Abdominal CT — axial view — 68-year-old male patient
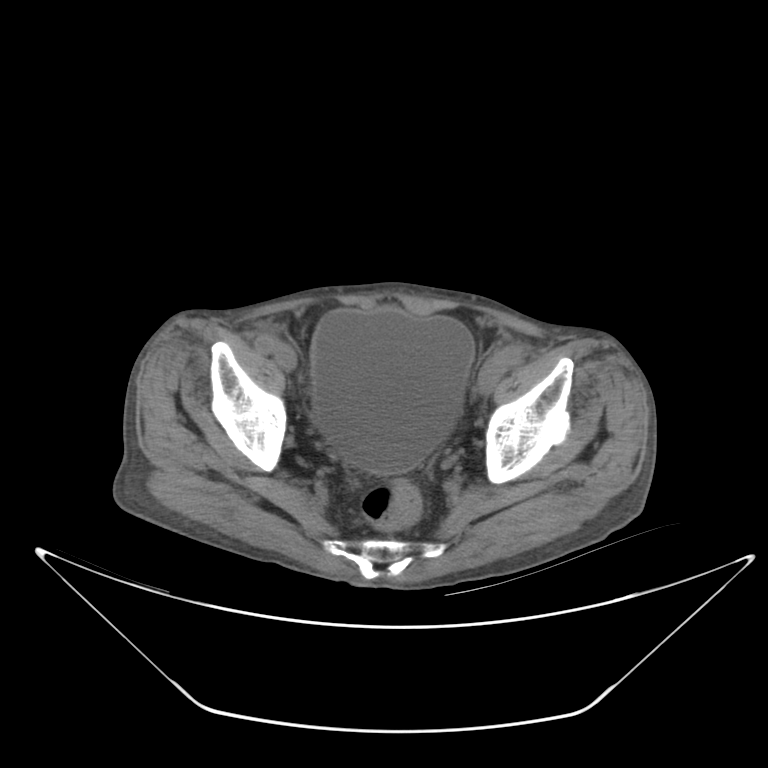

Coordinates as <box>x1,y1,x2,y2</box> in pixels.
Organ bounding boxes:
- bladder: <box>309,306,472,472</box>